CT, abdomen/pelvis — axial view
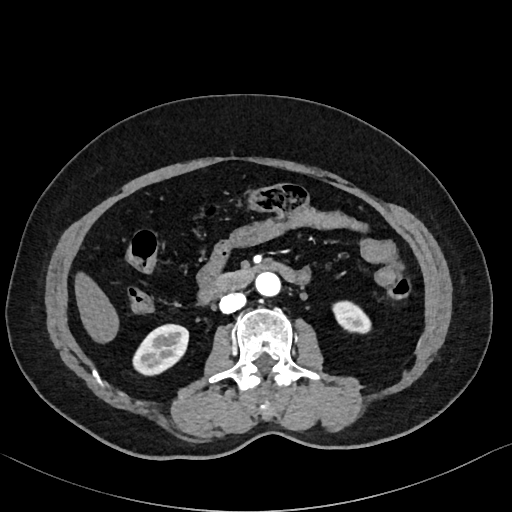 Organ boxes in pixel coordinates; each row gives the top-left (x1, y1) and bottom-right (x2, y2) corners.
| organ | x1 | y1 | x2 | y2 |
|---|---|---|---|---|
| right kidney | 132 | 324 | 188 | 375 |
| left kidney | 332 | 301 | 370 | 333 |
| liver | 75 | 272 | 119 | 343 |
| aorta | 255 | 273 | 280 | 296 |
| inferior vena cava | 219 | 293 | 245 | 313 |
| duodenum | 198 | 261 | 296 | 304 |